Computed tomography, abdomen; Axial slice 67/132; abdomen soft-tissue window; 47-year-old male patient
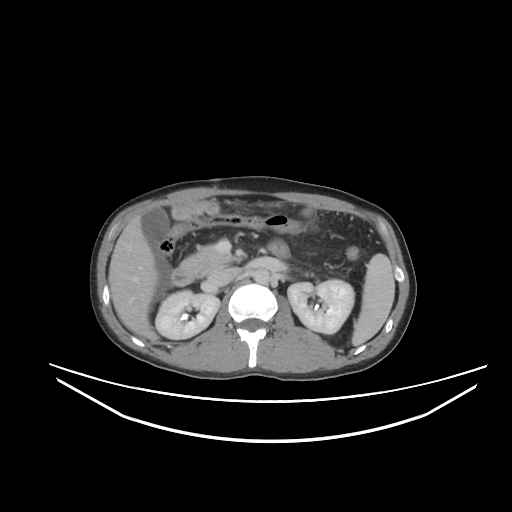

<organs><organ name="spleen" x1="352" y1="253" x2="394" y2="345"/><organ name="right kidney" x1="155" y1="290" x2="219" y2="339"/><organ name="left kidney" x1="287" y1="279" x2="354" y2="334"/><organ name="gall bladder" x1="141" y1="207" x2="169" y2="244"/><organ name="liver" x1="108" y1="214" x2="158" y2="341"/><organ name="aorta" x1="253" y1="269" x2="269" y2="284"/><organ name="inferior vena cava" x1="202" y1="267" x2="240" y2="291"/><organ name="pancreas" x1="180" y1="245" x2="239" y2="276"/><organ name="duodenum" x1="171" y1="267" x2="195" y2="286"/></organs>